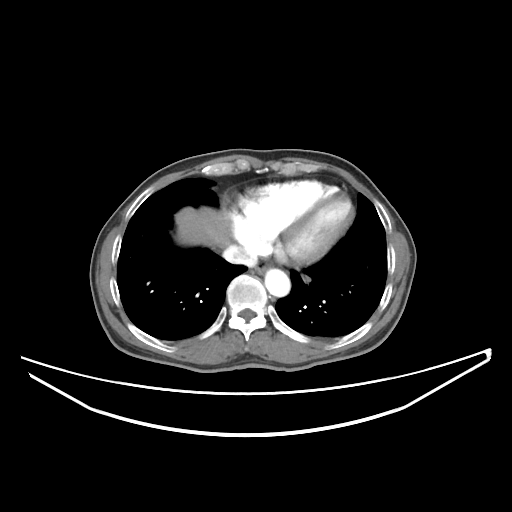
CT, abdomen/pelvis. Axial slice 81/120. soft-tissue window. 512x512 px
Bounding boxes as [x1, y1, x2, y2] in pixel coordinates. 4 labeled organs on this slice — liver at [175, 207, 228, 246]; inferior vena cava at [222, 244, 255, 264]; esophagus at [255, 265, 267, 274]; aorta at [265, 269, 290, 296].